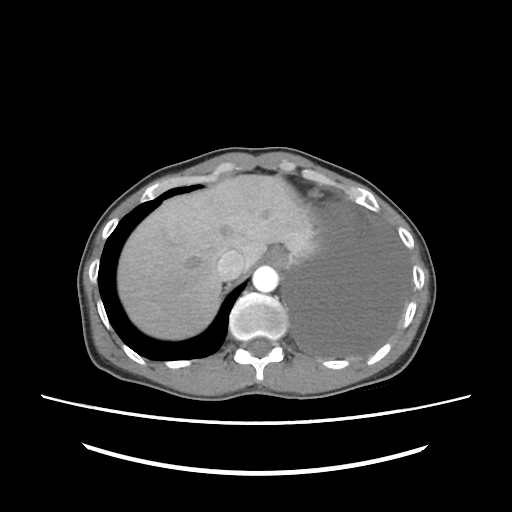 CT abdomen — axial view — 512x512 px — 46-year-old male patient
{"organs":{"esophagus":[267,250,287,264],"liver":[117,174,315,339],"aorta":[252,266,278,292],"inferior vena cava":[216,250,244,280]}}